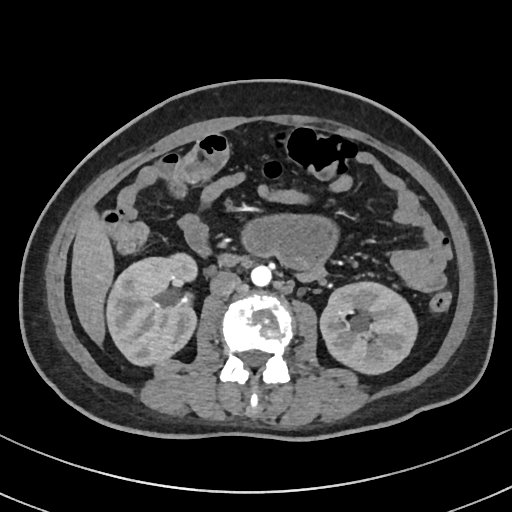 CT abdomen; axial view; W/L 400/40 HU
One row per box, in pixels: columns x1 and y1 give the top-left corner, x2 and y2 the bottom-right.
| organ | x1 | y1 | x2 | y2 |
|---|---|---|---|---|
| left kidney | 320 | 283 | 415 | 372 |
| right kidney | 106 | 251 | 199 | 363 |
| inferior vena cava | 210 | 271 | 241 | 295 |
| duodenum | 217 | 252 | 244 | 267 |
| aorta | 251 | 265 | 271 | 286 |
| liver | 72 | 213 | 112 | 342 |